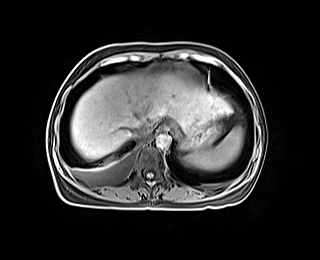
Abdominal MR — axial view — 1st–99th percentile window — 320x260 px
Bounding boxes as [x1, y1, x2, y2] in pixel coordinates.
Organ bounding boxes:
- spleen: [182, 126, 243, 170]
- esophagus: [159, 125, 169, 131]
- liver: [70, 73, 231, 159]
- stomach: [179, 120, 222, 151]
- aorta: [156, 134, 171, 148]
- inferior vena cava: [131, 124, 151, 137]